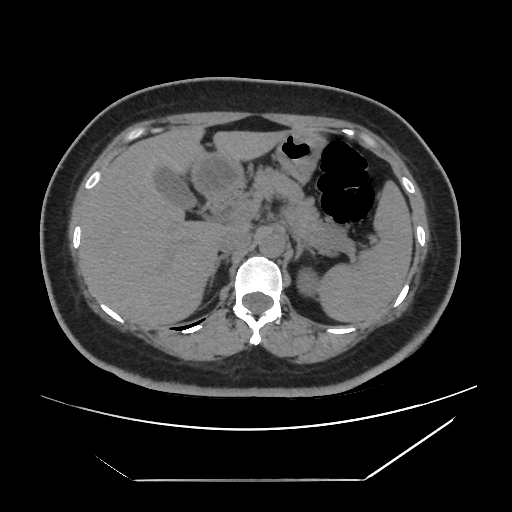

CT, abdomen/pelvis. Axial slice 249/345. 512x512 px
{"organs":{"spleen":[318,182,412,322],"left kidney":[298,270,319,293],"gall bladder":[153,162,194,209],"liver":[79,125,287,326],"stomach":[190,131,323,199],"aorta":[259,231,284,256],"inferior vena cava":[216,229,251,253],"pancreas":[240,165,348,256],"right adrenal gland":[213,253,229,271],"left adrenal gland":[293,233,313,257],"duodenum":[204,194,236,220]}}